CT abdomen — axial view — soft-tissue window — 15 organs annotated in this scan (counted over the whole 3D scan, not this slice; an organ is boxed only where this slice passes through it)
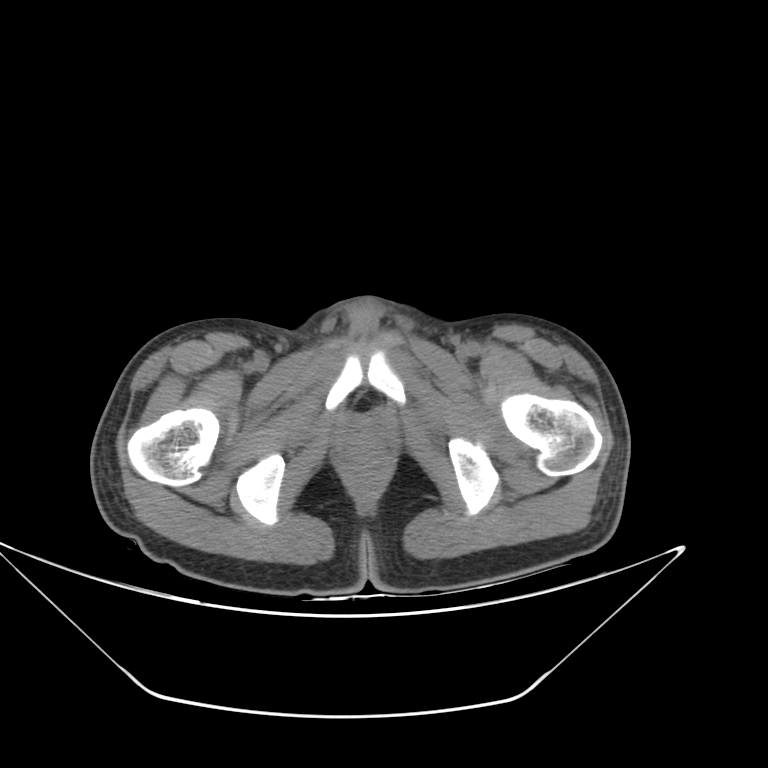 {"organs":{"prostate/uterus":[346,422,384,452]}}